MRI, abdomen; coronal view; 1st–99th percentile window; Prisma scanner
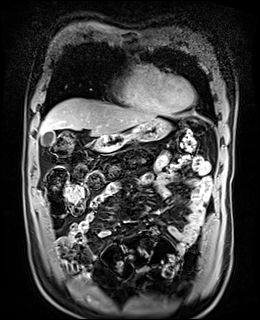 <organs><organ name="gall bladder" x1="41" y1="131" x2="55" y2="145"/><organ name="liver" x1="39" y1="98" x2="156" y2="136"/><organ name="stomach" x1="97" y1="118" x2="171" y2="150"/><organ name="duodenum" x1="92" y1="138" x2="119" y2="152"/></organs>